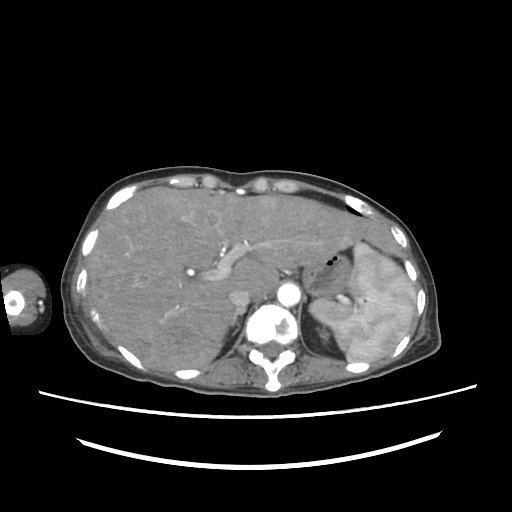

CT, abdomen/pelvis; Axial slice 69/111; 48-year-old female patient; scan has 15 labeled organs (a whole-scan count: organs this slice does not pass through have no box)
Box edges are left/top/right/bottom in pixels.
Organ bounding boxes:
- spleen: left=310, top=242, right=415, bottom=362
- left kidney: left=320, top=331, right=327, bottom=339
- liver: left=88, top=187, right=402, bottom=370
- stomach: left=302, top=253, right=353, bottom=300
- aorta: left=277, top=283, right=300, bottom=306
- inferior vena cava: left=229, top=288, right=250, bottom=308
- right adrenal gland: left=230, top=307, right=245, bottom=334